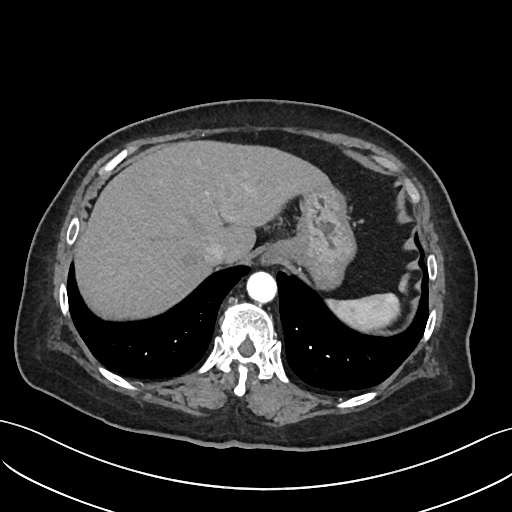
CT abdomen. axial plane, index 164. 512x512 px. SOMATOM Force scanner
One row per box, in pixels: columns x1 and y1 give the top-left corner, x2 and y2 the bottom-right.
| organ | x1 | y1 | x2 | y2 |
|---|---|---|---|---|
| spleen | 326 | 275 | 407 | 332 |
| inferior vena cava | 203 | 242 | 228 | 265 |
| liver | 74 | 140 | 329 | 320 |
| aorta | 247 | 271 | 276 | 302 |
| esophagus | 262 | 245 | 278 | 264 |
| stomach | 272 | 183 | 356 | 289 |